CT abdomen. axial view. abdomen soft-tissue window
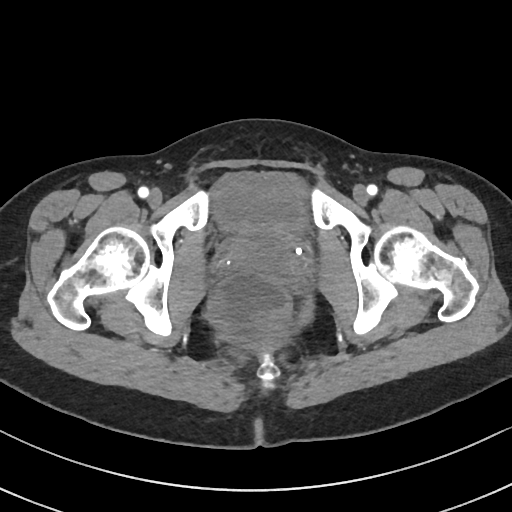

{"organs":{"bladder":[215,173,306,233]}}